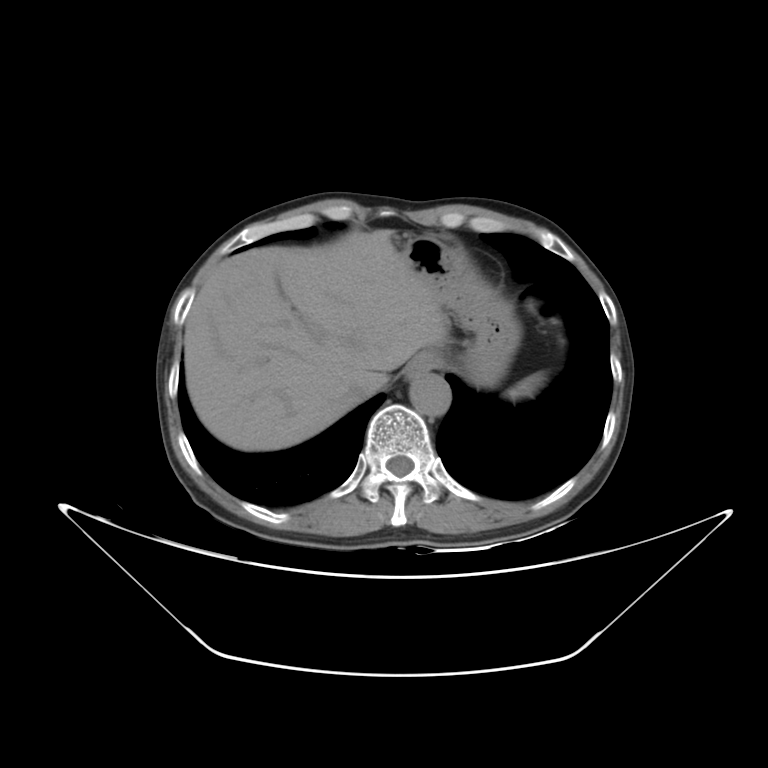

CT, abdomen/pelvis. axial view. Brilliance16 scanner
Boxes: x1 y1 x2 y2 (pixel coords, space-separated).
Organ bounding boxes:
- aorta: 409 372 451 416
- spleen: 508 372 546 400
- esophagus: 404 350 442 381
- inferior vena cava: 344 385 377 401
- liver: 184 230 449 451
- stomach: 400 235 521 386